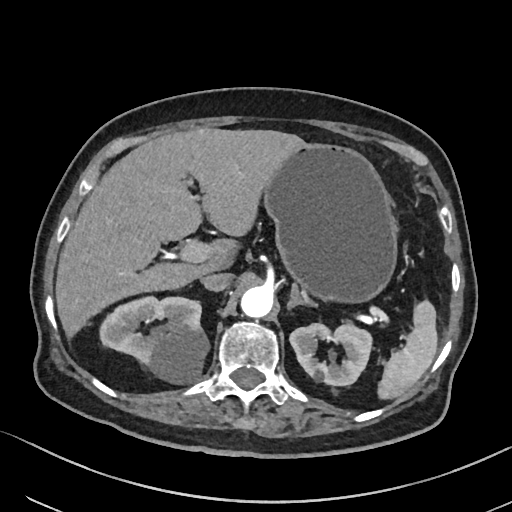

Abdominal CT; axial view; abdomen soft-tissue window; 512x512 px; acquired on SOMATOM Force
Bounding boxes as [x1, y1, x2, y2] in pixel coordinates.
liver: [55, 128, 305, 337]
inferior vena cava: [201, 272, 233, 291]
left kidney: [289, 323, 371, 385]
right kidney: [100, 296, 209, 383]
aorta: [240, 286, 273, 317]
stomach: [263, 143, 397, 303]
left adrenal gland: [287, 286, 317, 309]
spleen: [377, 300, 437, 399]